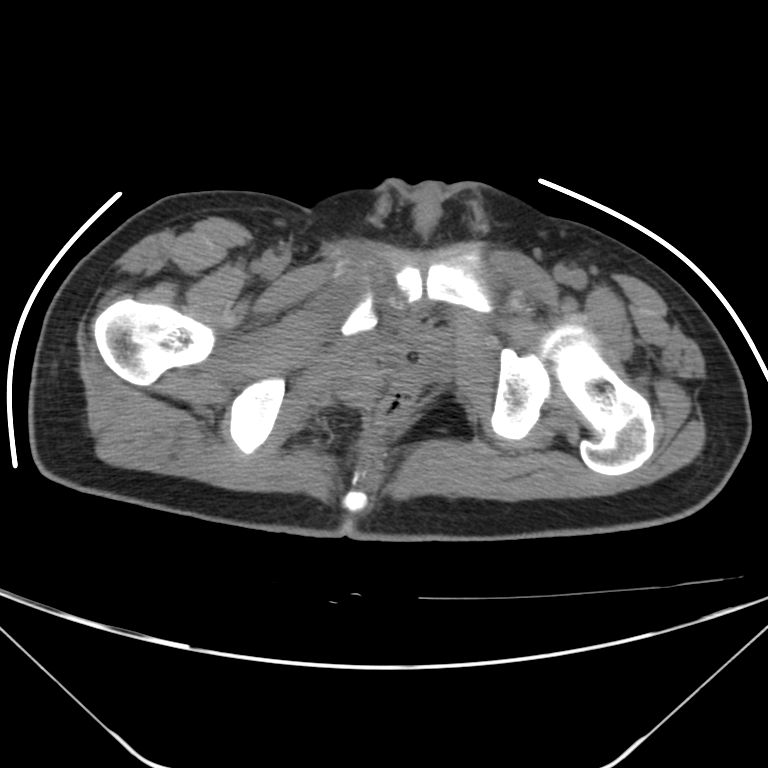

CT abdomen · axial view · 768x768 px · 15 organs annotated in this scan (counted over the whole 3D scan, not this slice; an organ is boxed only where this slice passes through it)
Bounding boxes as [x1, y1, x2, y2] in pixel coordinates.
prostate/uterus: [390, 338, 438, 379]